Computed tomography, abdomen · axial view · soft-tissue window · 512x512 px · acquired on Aquilion ONE
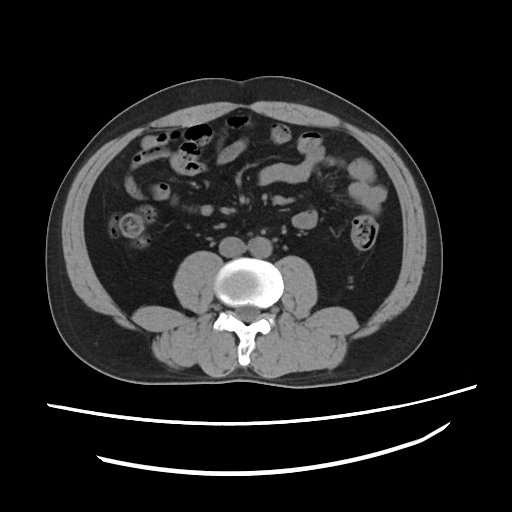

{"organs":{"aorta":[248,236,271,258],"inferior vena cava":[218,236,246,256]}}